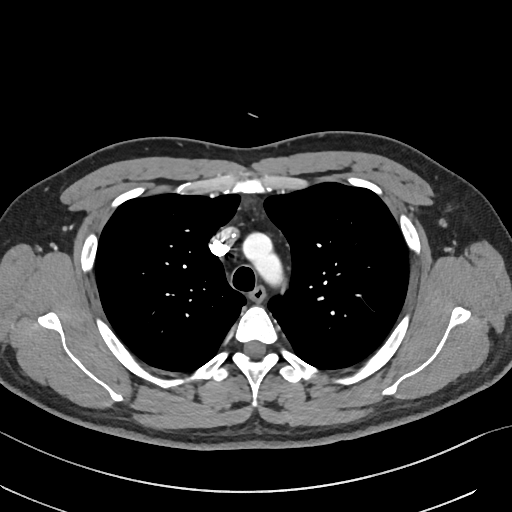
Chest-level slice from an abdominal CT that extends up into the chest · axial view · soft-tissue window, W/L 400/40
On a slice this high in the chest, this dataset labels only the esophagus and the aorta, and each is boxed only where it is labeled; the heart, lungs and other chest structures are not labeled. Coordinates as <box>x1,y1,x2,y2</box> in pixels. 2 labeled organs on this slice — aorta at <box>241,231,283,285</box>; esophagus at <box>249,287,265,302</box>.